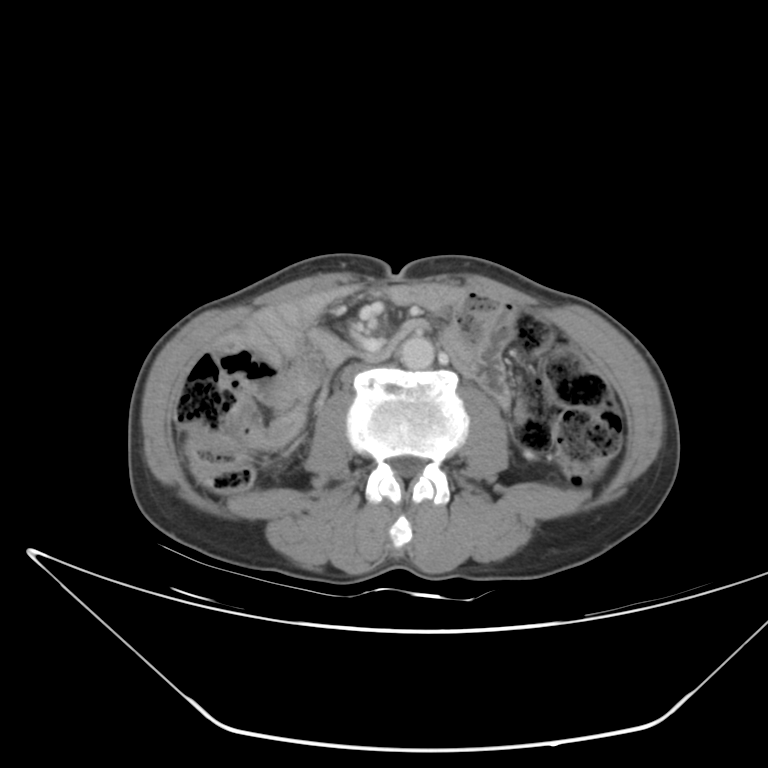 CT abdomen. axial view. 768x768 px. Brilliance16 scanner
<organs><organ name="aorta" x1="398" y1="335" x2="435" y2="369"/><organ name="inferior vena cava" x1="340" y1="362" x2="402" y2="385"/></organs>